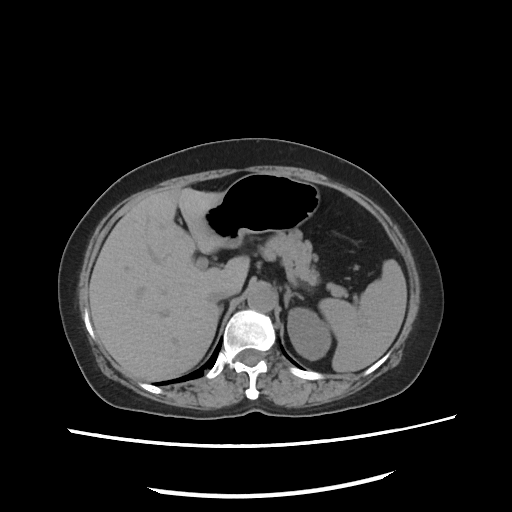

CT abdomen; axial plane, index 70; W/L 400/40 HU; 512x512 px
<organs><organ name="spleen" x1="318" y1="259" x2="407" y2="373"/><organ name="left kidney" x1="288" y1="307" x2="330" y2="358"/><organ name="liver" x1="88" y1="188" x2="248" y2="381"/><organ name="stomach" x1="205" y1="173" x2="321" y2="245"/><organ name="aorta" x1="246" y1="286" x2="277" y2="312"/><organ name="inferior vena cava" x1="207" y1="290" x2="231" y2="302"/><organ name="pancreas" x1="266" y1="230" x2="349" y2="297"/><organ name="right adrenal gland" x1="218" y1="305" x2="223" y2="318"/><organ name="left adrenal gland" x1="283" y1="288" x2="304" y2="306"/></organs>